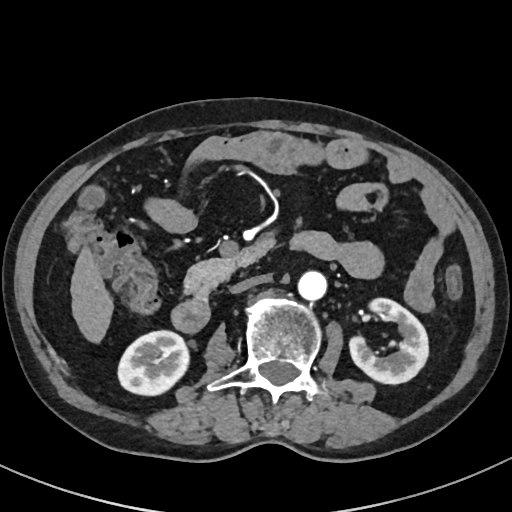
Computed tomography, abdomen — Axial slice 141/303 — soft-tissue window
Coordinates as <box>x1,y1,x2,y2</box> in pixels. 7 labeled organs on this slice — right kidney at <box>117,329,186,396</box>; left kidney at <box>350,298,429,385</box>; liver at <box>70,245,115,345</box>; aorta at <box>297,271,326,301</box>; inferior vena cava at <box>231,275,269,293</box>; pancreas at <box>181,256,237,297</box>; duodenum at <box>170,232,341,331</box>.